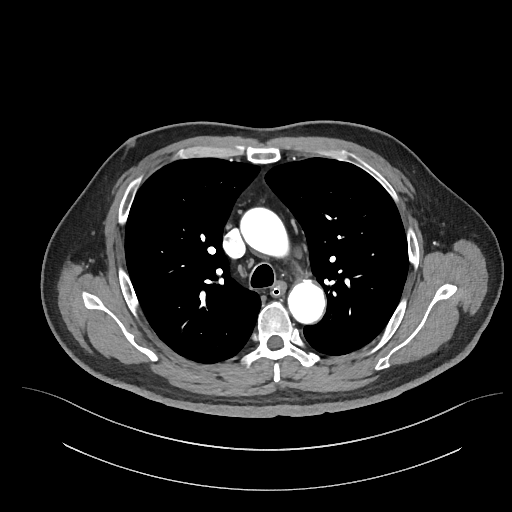
Chest-level CT slice, above the liver and spleen — Axial slice 280/333 — 512x512 px
On a slice this high in the chest, this dataset labels only the esophagus and the aorta, and each is boxed only where it is labeled; the heart, lungs and other chest structures are not labeled. Each box given as x1,y1,x2,y2. The annotated organs in this slice are: esophagus at x1=272, y1=282, x2=285, y2=295, aorta at x1=240, y1=207, x2=288, y2=256, aorta at x1=288, y1=280, x2=325, y2=323.